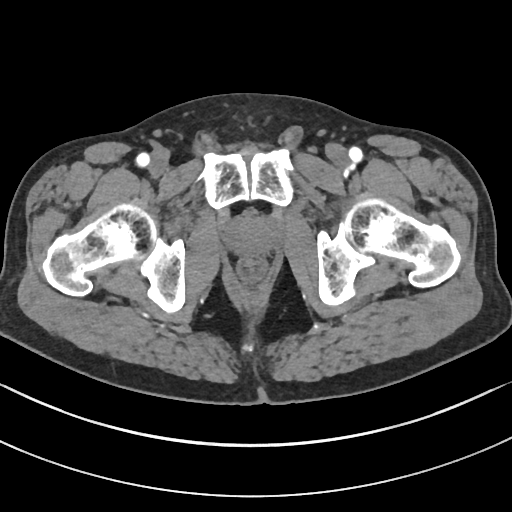

Computed tomography, abdomen — axial plane, index 14 — abdomen soft-tissue window
Bounding boxes as [x1, y1, x2, y2] in pixel coordinates. Labeled organs on this slice: prostate/uterus at [229, 218, 277, 253].